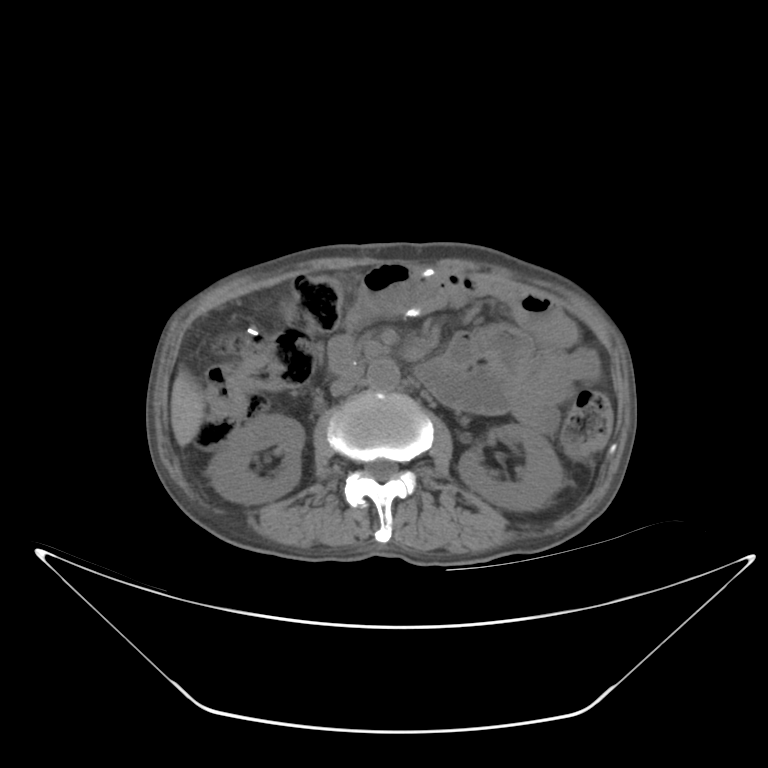 CT, abdomen/pelvis; axial view; W/L 400/40 HU; 13 organs annotated in this scan (a whole-scan count: organs this slice does not pass through have no box)
Bounding boxes in pixels, one row per box: x1, y1 is the top-left corner and x2, y2 the bottom-right.
| organ | x1 | y1 | x2 | y2 |
|---|---|---|---|---|
| inferior vena cava | 330 | 364 | 365 | 395 |
| aorta | 367 | 358 | 399 | 391 |
| right kidney | 209 | 414 | 302 | 502 |
| left kidney | 458 | 426 | 563 | 508 |
| liver | 170 | 373 | 205 | 444 |